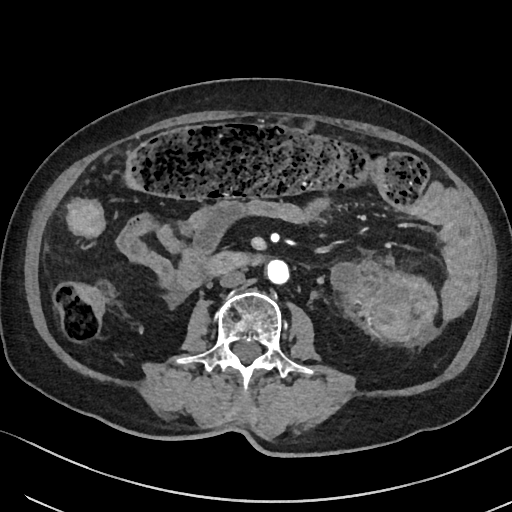
CT abdomen · axial view · soft-tissue window (W 400 / L 40) · 15 organs annotated in this scan (that count is for the whole scan; organs this slice misses have no box)
Boxes: x1:y1:x2:y2 in pixels. The annotated organs in this slice are: aorta at 266:259:289:284, inferior vena cava at 219:271:245:287, duodenum at 207:251:251:274.